CT, abdomen/pelvis; axial plane, index 51; 14 organs annotated in this scan (that count is for the whole scan; organs this slice misses have no box)
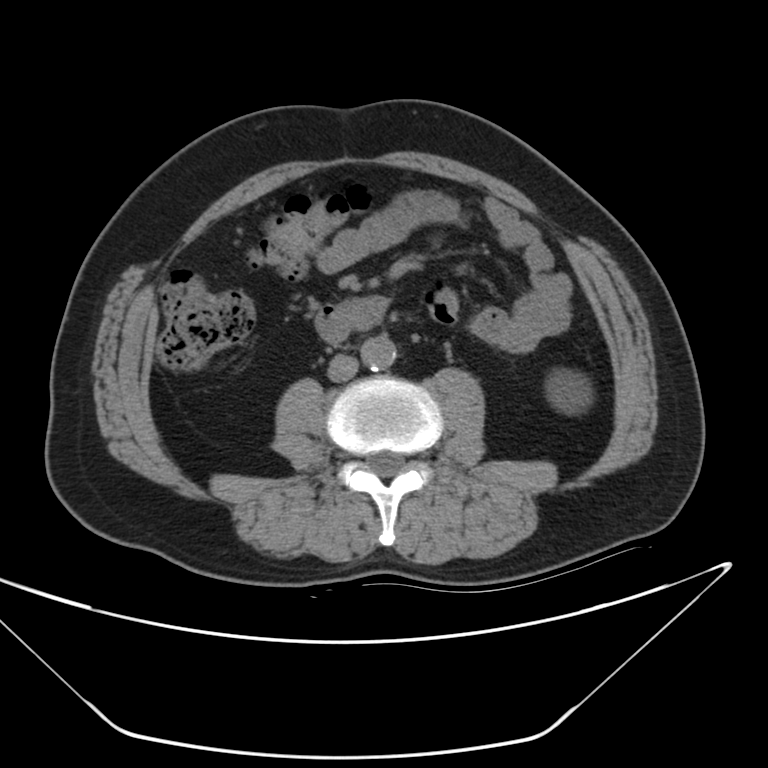 Coordinates as <box>x1,y1,x2,y2</box> in pixels.
left kidney: <box>548,373,593,413</box>
duodenum: <box>316,294,391,346</box>
inferior vena cava: <box>328,357,358,382</box>
aorta: <box>360,336,396,370</box>